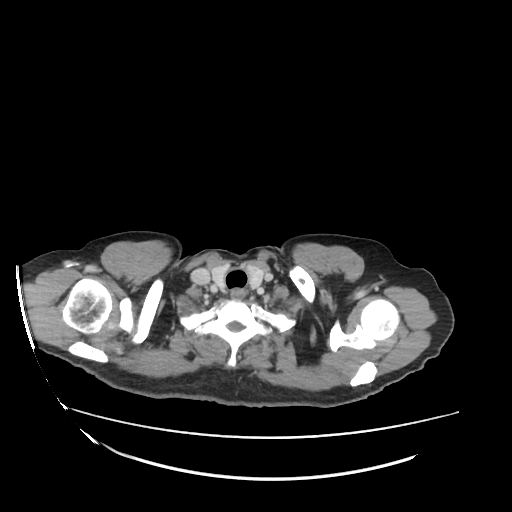
CT of the abdomen extending into the chest, slice through the chest · axial view · W/L 400/40 HU · 512x512 px
At this level of the chest no structure but the esophagus and the aorta has a label in this dataset, and those two are boxed only where they are labeled.
Boxes: x1:y1:x2:y2 in pixels.
Organ bounding boxes:
- esophagus: 230:289:243:299